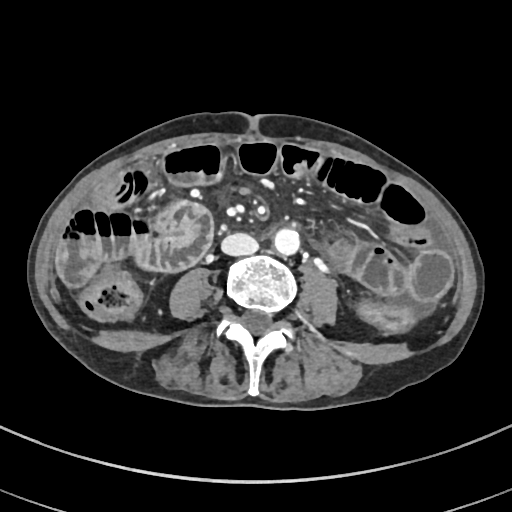 CT abdomen · axial view · abdomen soft-tissue window · 512x512 px
One row per box, in pixels: columns x1 and y1 give the top-left corner, x2 and y2 the bottom-right.
| organ | x1 | y1 | x2 | y2 |
|---|---|---|---|---|
| aorta | 272 | 229 | 299 | 255 |
| inferior vena cava | 220 | 233 | 258 | 255 |